MRI, abdomen — axial view — 1st–99th percentile window — 288x232 px — Prisma scanner
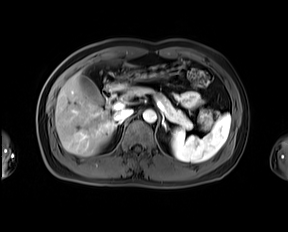
{"organs":{"spleen":[171,113,230,162],"gall bladder":[79,75,103,104],"liver":[55,72,115,156],"stomach":[108,60,184,90],"aorta":[143,109,156,122],"inferior vena cava":[113,109,133,121],"pancreas":[123,86,192,128],"right adrenal gland":[116,122,121,127],"left adrenal gland":[162,116,166,129],"duodenum":[103,86,116,108]}}